Computed tomography, abdomen · axial view · W/L 400/40 HU · 15 organs annotated in this scan (that count is for the whole scan; organs this slice misses have no box)
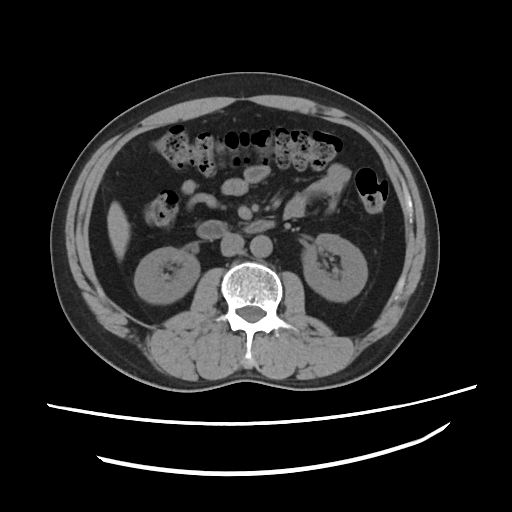

<organs><organ name="right kidney" x1="133" y1="246" x2="197" y2="302"/><organ name="left kidney" x1="302" y1="232" x2="366" y2="300"/><organ name="liver" x1="107" y1="202" x2="129" y2="260"/><organ name="aorta" x1="251" y1="234" x2="271" y2="256"/><organ name="inferior vena cava" x1="220" y1="232" x2="244" y2="254"/><organ name="duodenum" x1="195" y1="220" x2="274" y2="239"/></organs>